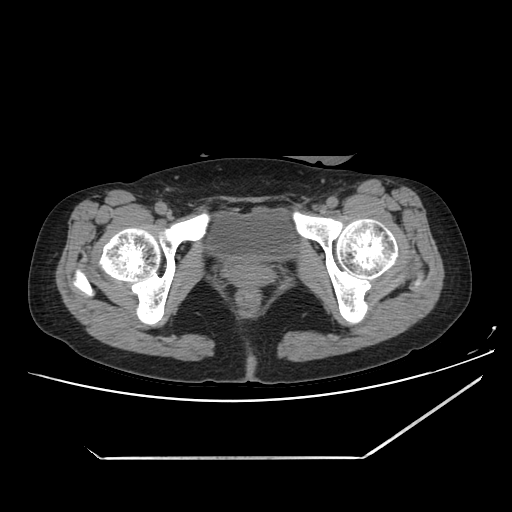 CT, abdomen/pelvis. axial plane, index 9. 512x512 px. scan has 14 labeled organs (that count is for the whole scan; organs this slice misses have no box)
Boxes: x1:y1:x2:y2 in pixels.
bladder: 206:208:296:260
prostate/uterus: 229:260:271:284